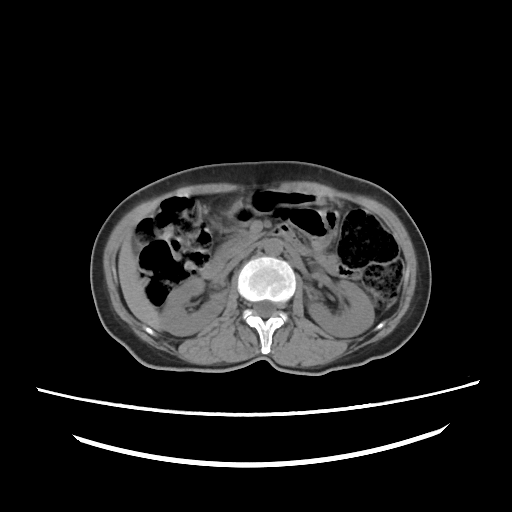 Abdominal CT. axial view. 58-year-old female patient. acquired on Aquilion ONE. 15 organs annotated in this scan (counted over the whole 3D scan, not this slice; an organ is boxed only where this slice passes through it)
<organs><organ name="stomach" x1="230" y1="189" x2="316" y2="214"/><organ name="liver" x1="118" y1="236" x2="160" y2="329"/><organ name="left kidney" x1="308" y1="280" x2="374" y2="337"/><organ name="right kidney" x1="160" y1="277" x2="227" y2="335"/><organ name="duodenum" x1="201" y1="223" x2="313" y2="278"/><organ name="inferior vena cava" x1="227" y1="246" x2="253" y2="269"/><organ name="pancreas" x1="220" y1="235" x2="249" y2="251"/><organ name="aorta" x1="264" y1="238" x2="282" y2="255"/></organs>